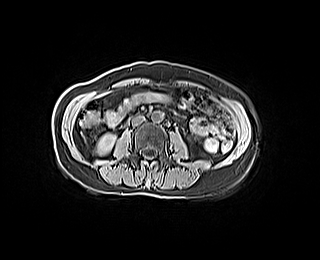 Abdominal MRI; axial view; acquired on Prisma
{"organs":{"right kidney":[96,134,115,155],"aorta":[151,111,163,122],"inferior vena cava":[131,115,144,125]}}